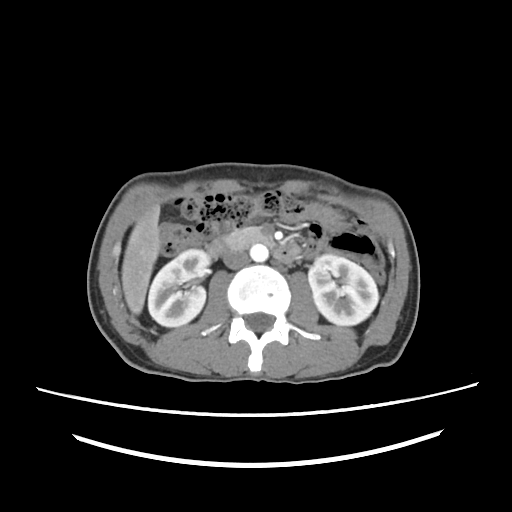 Abdominal CT; axial view; 51-year-old male patient
<organs><organ name="right kidney" x1="147" y1="250" x2="206" y2="327"/><organ name="left kidney" x1="308" y1="255" x2="378" y2="325"/><organ name="liver" x1="122" y1="203" x2="160" y2="316"/><organ name="aorta" x1="251" y1="244" x2="269" y2="262"/><organ name="inferior vena cava" x1="222" y1="251" x2="248" y2="268"/><organ name="pancreas" x1="220" y1="228" x2="274" y2="248"/><organ name="duodenum" x1="207" y1="240" x2="301" y2="262"/></organs>